Abdominal CT; this slice is in the lower chest, just above the liver · axial view · W/L 400/40 HU
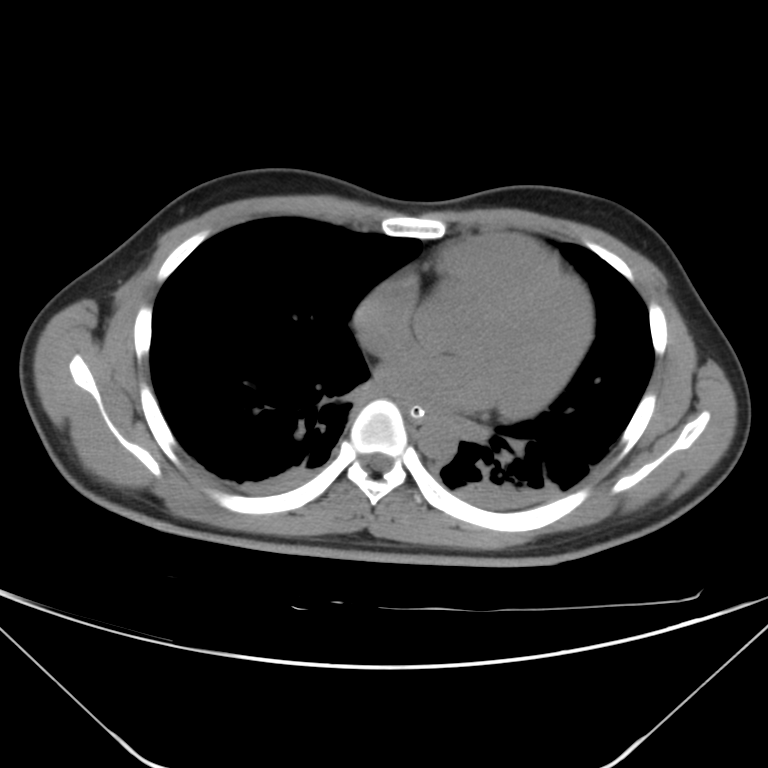
Of the structures in the chest, this dataset labels only the esophagus, the aorta and the inferior vena cava; the heart and lungs have no label.
Boxes: x1 y1 x2 y2 (pixel coords, space-separated).
Organ bounding boxes:
- esophagus: 405 405 428 422
- aorta: 418 420 456 461